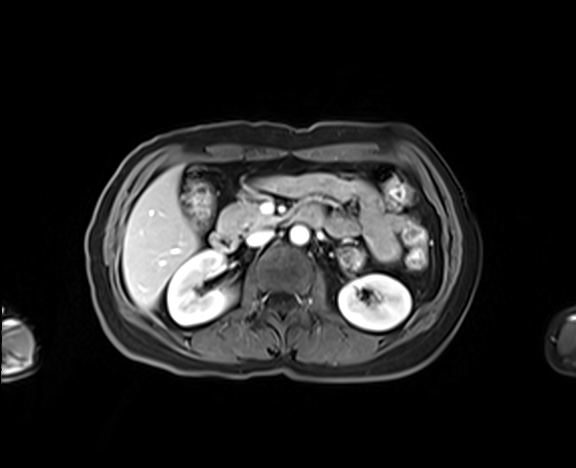 Abdominal MR. axial plane, index 27. 1st–99th percentile window
{"organs":{"right kidney":[167,250,236,325],"left kidney":[338,274,411,330],"liver":[122,166,199,309],"aorta":[289,225,308,244],"inferior vena cava":[246,229,273,246],"pancreas":[218,200,275,236],"duodenum":[210,206,323,250]}}